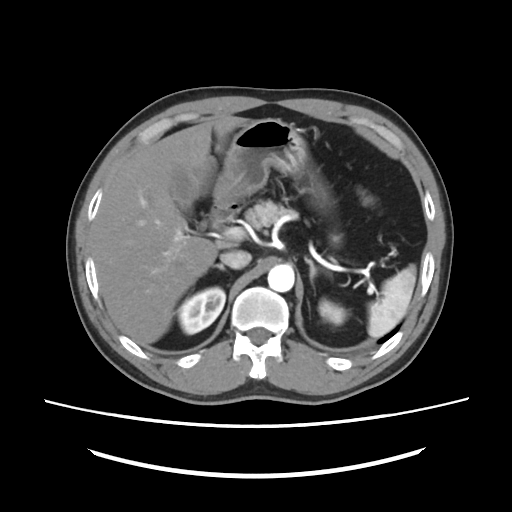
CT abdomen · axial view · soft-tissue window (W 400 / L 40) · 512x512 px · 46-year-old male patient · scan has 15 labeled organs (counted over the whole 3D scan, not this slice; an organ is boxed only where this slice passes through it)
Organ boxes in pixel coordinates; each row gives the top-left (x1, y1) and bottom-right (x2, y2) corners.
| organ | x1 | y1 | x2 | y2 |
|---|---|---|---|---|
| spleen | 368 | 265 | 416 | 337 |
| right kidney | 178 | 287 | 225 | 334 |
| left kidney | 318 | 298 | 347 | 324 |
| gall bladder | 173 | 172 | 204 | 227 |
| liver | 91 | 116 | 249 | 344 |
| stomach | 213 | 118 | 308 | 204 |
| aorta | 267 | 264 | 294 | 292 |
| inferior vena cava | 220 | 250 | 251 | 268 |
| pancreas | 244 | 200 | 297 | 227 |
| right adrenal gland | 214 | 264 | 225 | 270 |
| left adrenal gland | 305 | 257 | 317 | 283 |
| duodenum | 209 | 203 | 240 | 227 |